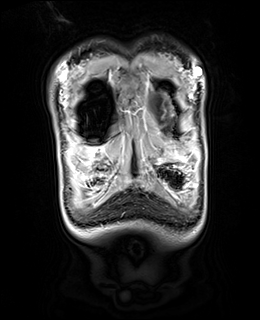 Abdominal MR; coronal view; percentile-normalized; 260x320 px
{"organs":{"stomach":[160,147,186,163]}}